Lower-chest slice from an abdominal CT, just above the liver and spleen. axial view. 512x512 px. scan has 14 labeled organs (a whole-scan count: organs this slice does not pass through have no box)
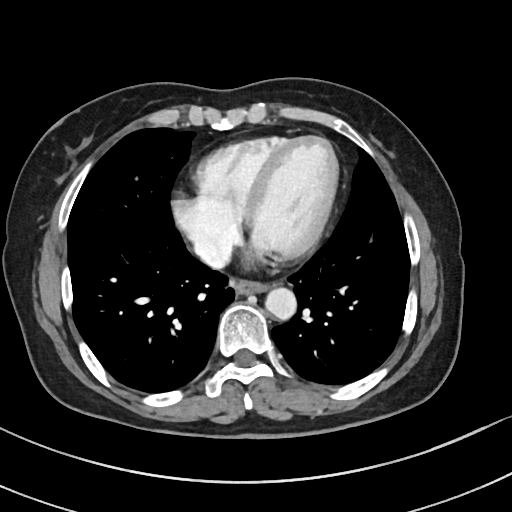

No part of the heart or lungs is labeled in this dataset, so neither has a box here.
Boxes are (x1, y1, x2, y2) in pixels.
Organ bounding boxes:
- esophagus: (233, 281, 270, 294)
- aorta: (265, 288, 296, 320)
- inferior vena cava: (195, 240, 222, 262)